CT, abdomen/pelvis. axial view. W/L 400/40 HU
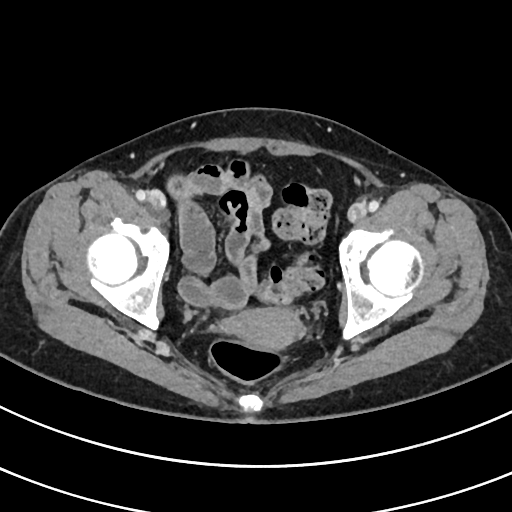

Boxes: x1 y1 x2 y2 (pixel coords, space-separated).
prostate/uterus: 225 307 306 350